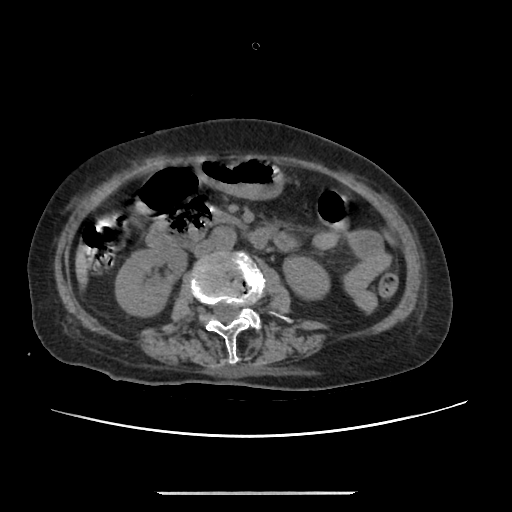 Computed tomography, abdomen. axial plane, index 207. 512x512 px
Boxes: x1:y1:x2:y2 in pixels. Labeled organs on this slice: right kidney at 115:244:187:315, left kidney at 284:256:328:297, stomach at 199:156:282:198, aorta at 212:226:236:248, inferior vena cava at 194:239:215:256, pancreas at 214:211:240:224, duodenum at 146:198:275:248.